Computed tomography, abdomen; axial view; W/L 400/40 HU; SOMATOM Force scanner
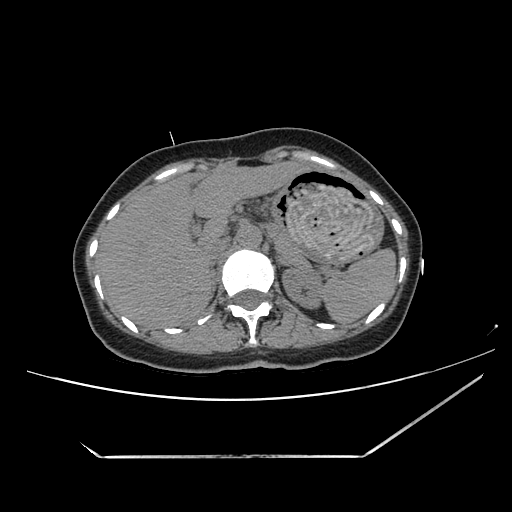 Coordinates as <box>x1,y1,x2,y2</box> in pixels. 9 labeled organs on this slice — spleen at <box>320,248,395,324</box>; left kidney at <box>283,268,320,306</box>; liver at <box>98,161,313,326</box>; stomach at <box>268,170,383,261</box>; aorta at <box>237,225,262,249</box>; inferior vena cava at <box>204,238,229,265</box>; pancreas at <box>276,235,308,267</box>; right adrenal gland at <box>211,270,216,291</box>; left adrenal gland at <box>276,254,289,267</box>.